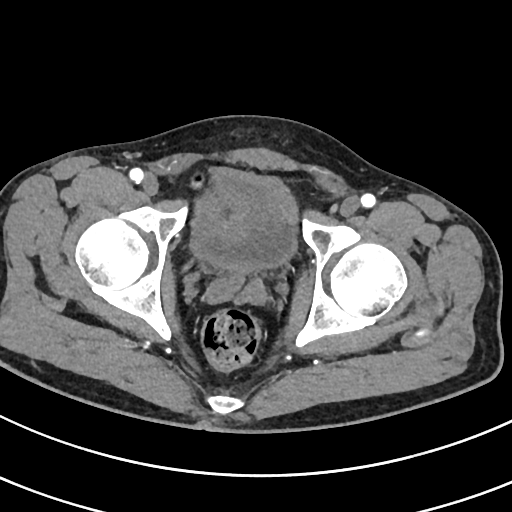

Computed tomography, abdomen; axial view; W/L 400/40 HU
{"organs":{"bladder":[191,167,296,271]}}